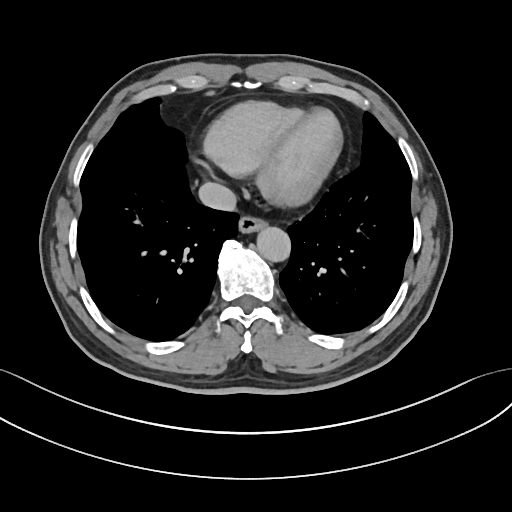

Lower-chest slice from an abdominal CT, just above the liver and spleen · axial view
Of the structures in the chest, this dataset labels only the esophagus, the aorta and the inferior vena cava; the heart and lungs have no label.
Bounding boxes as [x1, y1, x2, y2] in pixel coordinates.
Organ bounding boxes:
- esophagus: [238, 218, 266, 232]
- inferior vena cava: [198, 182, 236, 210]
- aorta: [255, 225, 289, 260]